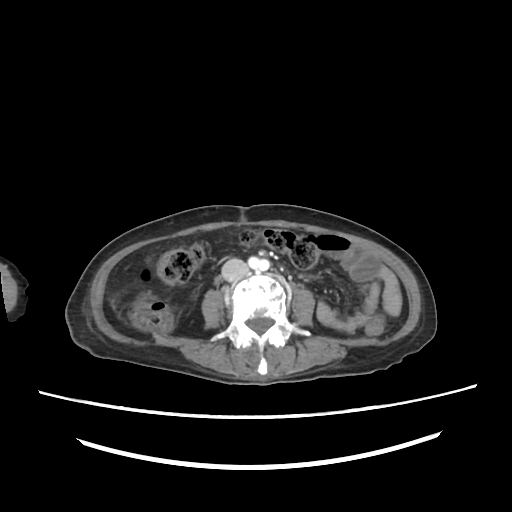

Abdominal CT. axial view. soft-tissue window (W 400 / L 40). 512x512 px
Each box given as x1,y1,x2,y2.
aorta: x1=249, y1=257, x2=269, y2=270
inferior vena cava: x1=221, y1=258, x2=249, y2=281